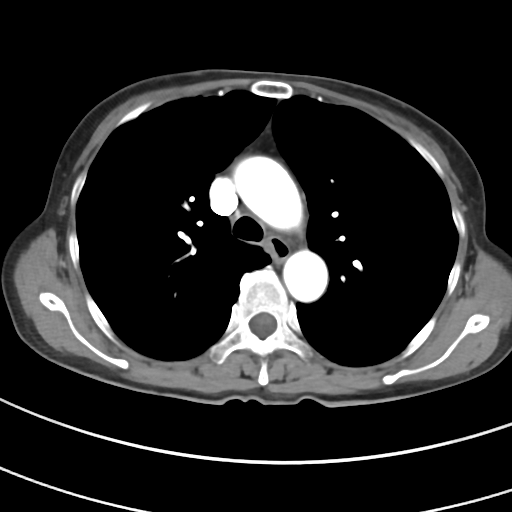 Chest-level slice from an abdominal CT that extends up into the chest. Axial slice 101/118. soft-tissue window, W/L 400/40. 512x512 px. 15 organs annotated in this scan (a whole-scan count: organs this slice does not pass through have no box)
On a slice this high in the chest, this dataset labels only the esophagus and the aorta, and each is boxed only where it is labeled; the heart, lungs and other chest structures are not labeled. Boxes are (x1, y1, x2, y2) in pixels. Labeled organs on this slice: esophagus at (267, 237, 290, 261), aorta at (234, 156, 302, 231), aorta at (283, 250, 328, 302).